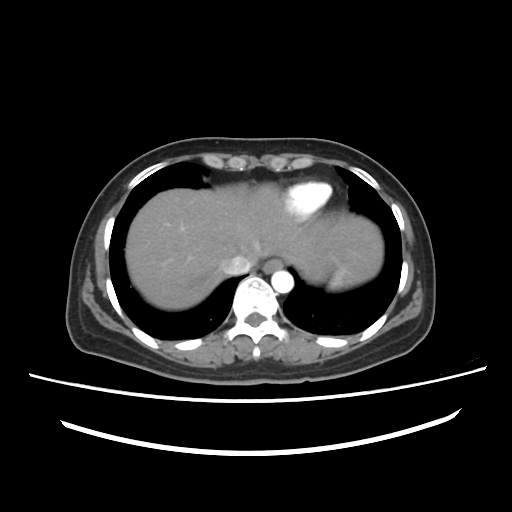 Abdominal CT · axial view · abdomen soft-tissue window · acquired on Aquilion ONE
Each box given as x1,y1,x2,y2.
Organ bounding boxes:
- aorta: x1=271, y1=270, x2=293, y2=292
- inferior vena cava: x1=222, y1=255, x2=253, y2=275
- liver: x1=126, y1=183, x2=382, y2=309
- esophagus: x1=263, y1=259, x2=283, y2=273
- spleen: x1=330, y1=265, x2=360, y2=289